Magnetic resonance imaging, abdomen — Coronal slice 87/144 — acquired on Prisma
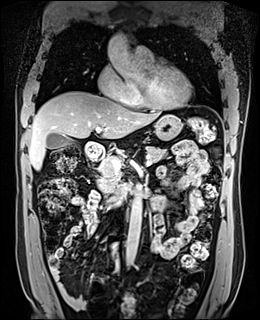

Coordinates as <box>x1,y1,x2,y2</box> in pixels.
gall bladder: <box>47,133,72,148</box>
liver: <box>29,91,162,170</box>
stomach: <box>154,114,181,140</box>
aorta: <box>106,35,146,82</box>
aorta: <box>126,191,142,265</box>
pancreas: <box>98,146,167,194</box>
duodenum: <box>84,141,130,204</box>